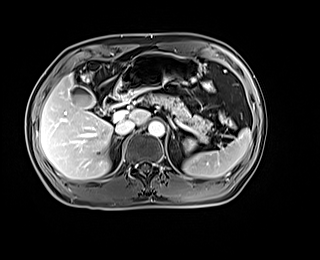

Magnetic resonance imaging, abdomen; Axial slice 25/72; scan has 13 labeled organs (that count is for the whole scan; organs this slice misses have no box)
Box edges are left/top/right/bottom in pixels. 10 labeled organs on this slice — spleen at left=183, top=128, right=251, bottom=177; left kidney at left=185, top=139, right=194, bottom=151; gall bladder at left=71, top=85, right=105, bottom=115; liver at left=40, top=74, right=149, bottom=179; stomach at left=113, top=52, right=201, bottom=101; aorta at left=148, top=121, right=164, bottom=137; inferior vena cava at left=115, top=120, right=135, bottom=134; pancreas at left=145, top=94, right=212, bottom=142; right adrenal gland at left=113, top=137, right=123, bottom=148; duodenum at left=103, top=95, right=122, bottom=111.